CT, abdomen/pelvis — axial view — abdomen soft-tissue window — scan has 15 labeled organs (a whole-scan count: organs this slice does not pass through have no box)
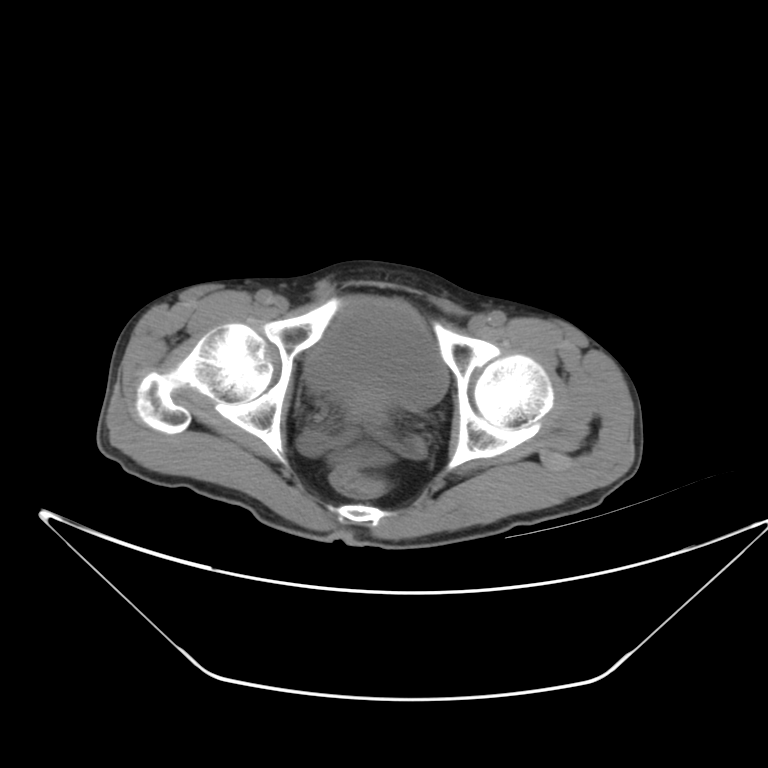
<organs><organ name="bladder" x1="305" y1="295" x2="445" y2="404"/><organ name="prostate/uterus" x1="346" y1="397" x2="388" y2="421"/></organs>